Chest-level CT slice, above the liver and spleen — axial view
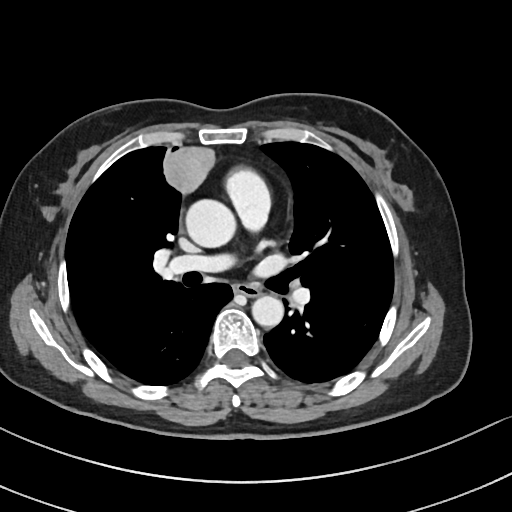 At this level of the chest no structure but the esophagus and the aorta has a label in this dataset, and those two are boxed only where they are labeled.
Each box given as x1,y1,x2,y2.
Organ bounding boxes:
- esophagus: x1=234, y1=284, x2=260, y2=297
- aorta: x1=187, y1=200, x2=238, y2=247
- aorta: x1=252, y1=295, x2=283, y2=327